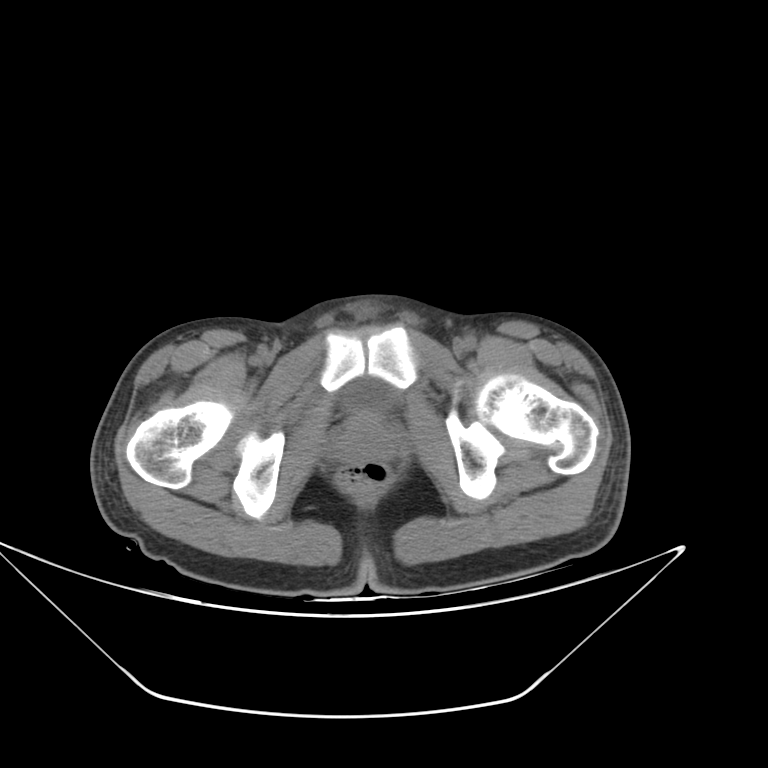

Computed tomography, abdomen · axial view · soft-tissue window · 24-year-old male patient · acquired on Brilliance16 · scan has 15 labeled organs (a whole-scan count: organs this slice does not pass through have no box)
Boxes are (x1, y1, x2, y2) in pixels.
prostate/uterus: (335, 414, 392, 461)
bladder: (348, 383, 387, 412)